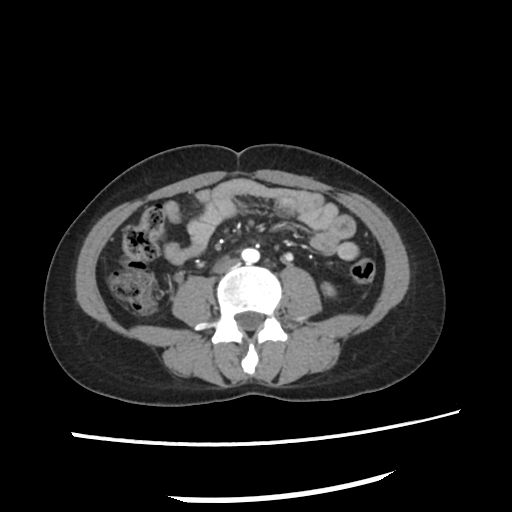

Computed tomography, abdomen — axial view — W/L 400/40 HU — 512x512 px — acquired on Aquilion ONE
{"organs":{"inferior vena cava":[213,259,238,272],"left kidney":[324,284,332,294],"aorta":[243,248,259,264]}}